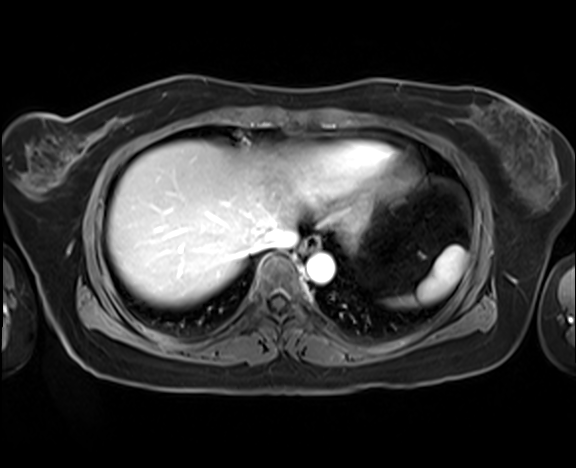
MRI, abdomen; axial view
<organs><organ name="esophagus" x1="301" y1="237" x2="320" y2="252"/><organ name="aorta" x1="307" y1="253" x2="334" y2="283"/><organ name="liver" x1="108" y1="141" x2="369" y2="305"/><organ name="spleen" x1="391" y1="245" x2="466" y2="306"/><organ name="inferior vena cava" x1="255" y1="227" x2="297" y2="250"/></organs>